Computed tomography, abdomen — Axial slice 47/88 — 512x512 px — acquired on SOMATOM Force
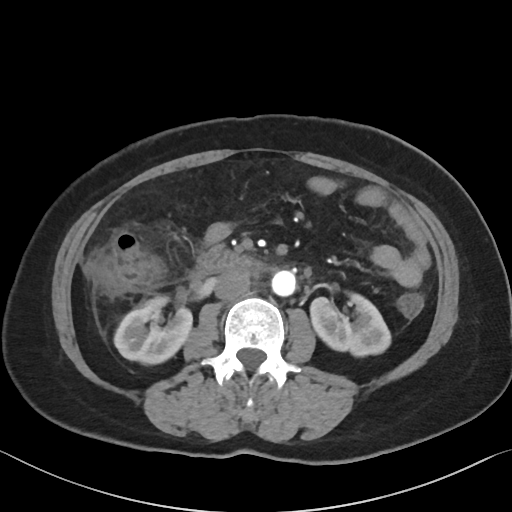

Boxes: x1 y1 x2 y2 (pixel coords, space-separated).
right kidney: 114 296 192 364
left kidney: 310 294 390 356
aorta: 271 270 296 296
inferior vena cava: 214 270 250 300
duodenum: 198 246 257 274